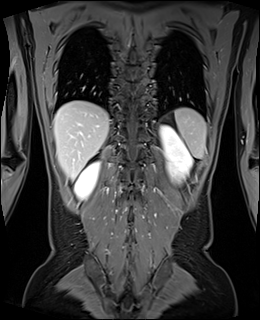 Abdominal MR. coronal plane, index 47. 260x320 px
Box edges are left/top/right/bottom in pixels.
spleen: left=174, top=108, right=206, bottom=158
right kidney: left=74, top=162, right=99, bottom=198
left kidney: left=160, top=126, right=192, bottom=180
liver: left=54, top=101, right=109, bottom=179